CT abdomen. axial view. 512x512 px. SOMATOM Force scanner. scan has 15 labeled organs (counted over the whole 3D scan, not this slice; an organ is boxed only where this slice passes through it)
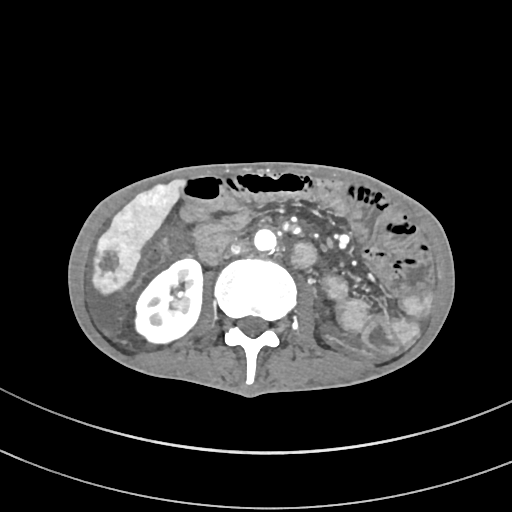 <organs><organ name="right kidney" x1="134" y1="259" x2="202" y2="344"/><organ name="liver" x1="93" y1="179" x2="184" y2="297"/><organ name="aorta" x1="253" y1="229" x2="276" y2="252"/><organ name="inferior vena cava" x1="230" y1="239" x2="249" y2="254"/></organs>